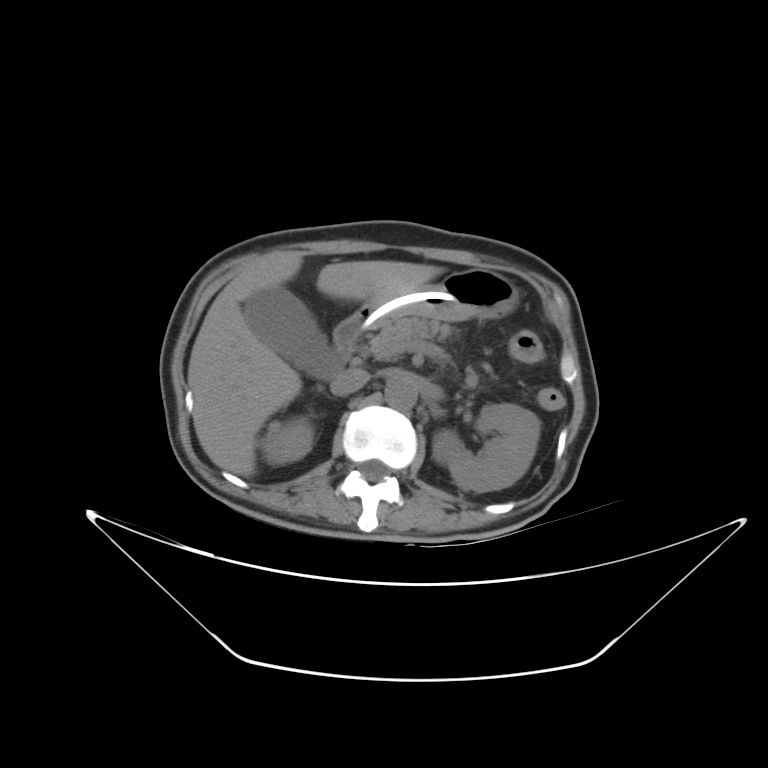
CT abdomen · axial plane, index 68 · 768x768 px · 55-year-old male patient
Boxes: x1:y1:x2:y2 in pixels. 9 labeled organs on this slice — right kidney at 265:421:313:464; left kidney at 432:403:540:492; gall bladder at 243:287:341:376; liver at 187:251:444:476; stomach at 359:268:519:329; aorta at 385:379:416:409; inferior vena cava at 330:368:369:396; pancreas at 368:293:453:359; duodenum at 333:312:364:362.